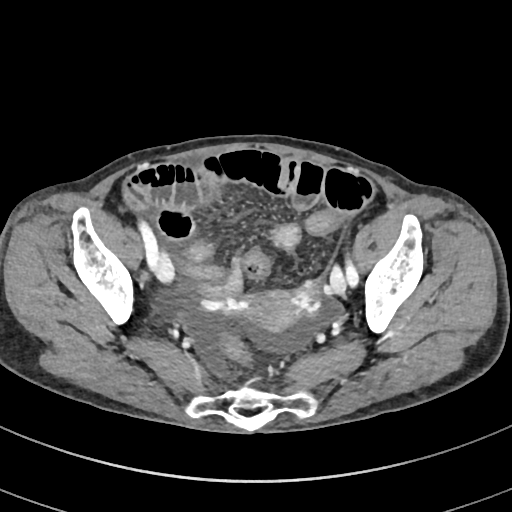
Abdominal CT. axial view. W/L 400/40 HU. 512x512 px
Boxes are (x1, y1, x2, y2) in pixels.
Organ bounding boxes:
- prostate/uterus: (246, 290, 298, 330)